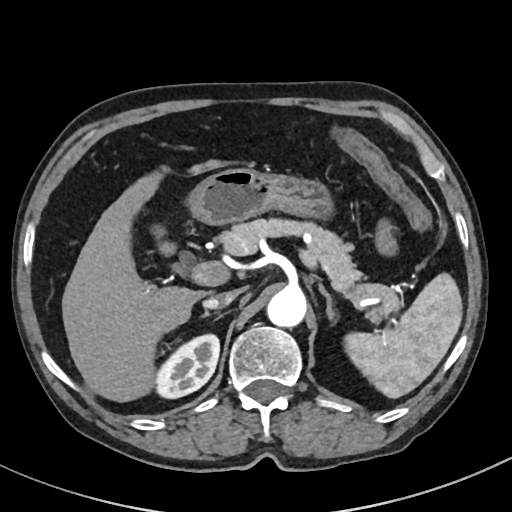 Abdominal CT. axial view. 15 organs annotated in this scan (a whole-scan count: organs this slice does not pass through have no box)
Coordinates as <box>x1,y1,x2,y2</box> in pixels.
spleen: <box>343,272,461,398</box>
right kidney: <box>156,335,219,397</box>
liver: <box>62,158,227,403</box>
stomach: <box>188,168,331,225</box>
aorta: <box>265,288,306,328</box>
inferior vena cava: <box>202,288,243,307</box>
pancreas: <box>220,219,383,325</box>
right adrenal gland: <box>200,310,211,317</box>
left adrenal gland: <box>319,286,334,321</box>
duodenum: <box>160,242,173,254</box>